Computed tomography, abdomen · axial view
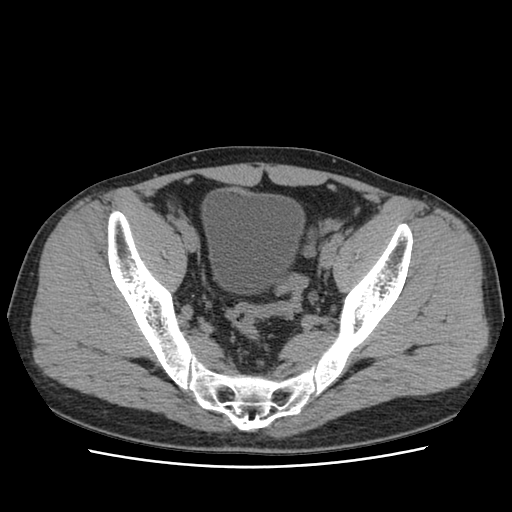

{"organs":{"bladder":[201,188,303,292]}}